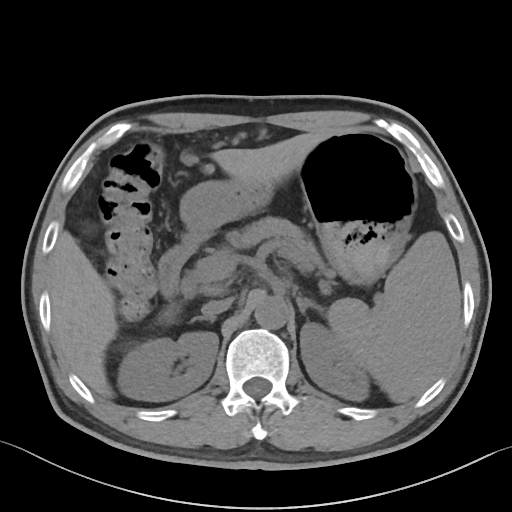
CT, abdomen/pelvis · axial view · soft-tissue window · 15 organs annotated in this scan (a whole-scan count: organs this slice does not pass through have no box)
Each box given as x1,y1,x2,y2.
spleen: x1=327, y1=231, x2=460, y2=402
right kidney: x1=117, y1=332, x2=218, y2=401
left kidney: x1=300, y1=322, x2=369, y2=400
liver: x1=49, y1=132, x2=334, y2=398
stomach: x1=181, y1=131, x2=416, y2=283
aorta: x1=254, y1=297, x2=289, y2=329
inferior vena cava: x1=201, y1=298, x2=232, y2=315
pancreas: x1=230, y1=217, x2=320, y2=269
right adrenal gland: x1=191, y1=316, x2=216, y2=322
left adrenal gland: x1=297, y1=297, x2=323, y2=314
duodenum: x1=158, y1=230, x2=207, y2=298